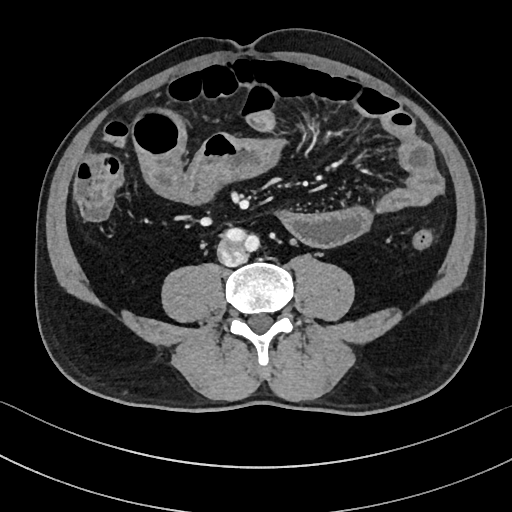

CT, abdomen/pelvis. axial view. soft-tissue window (W 400 / L 40)
Bounding boxes as [x1, y1, x2, y2] in pixel coordinates.
inferior vena cava: [219, 241, 246, 265]